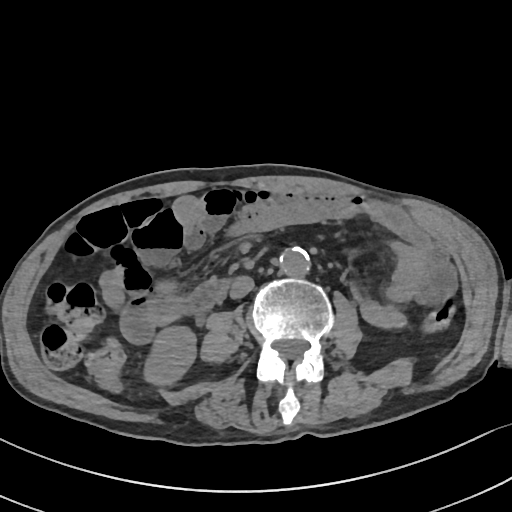 CT abdomen. axial view. 512x512 px
{"organs":{"inferior vena cava":[230,276,254,299],"duodenum":[182,276,233,314],"right kidney":[146,328,197,383],"aorta":[280,247,311,277]}}